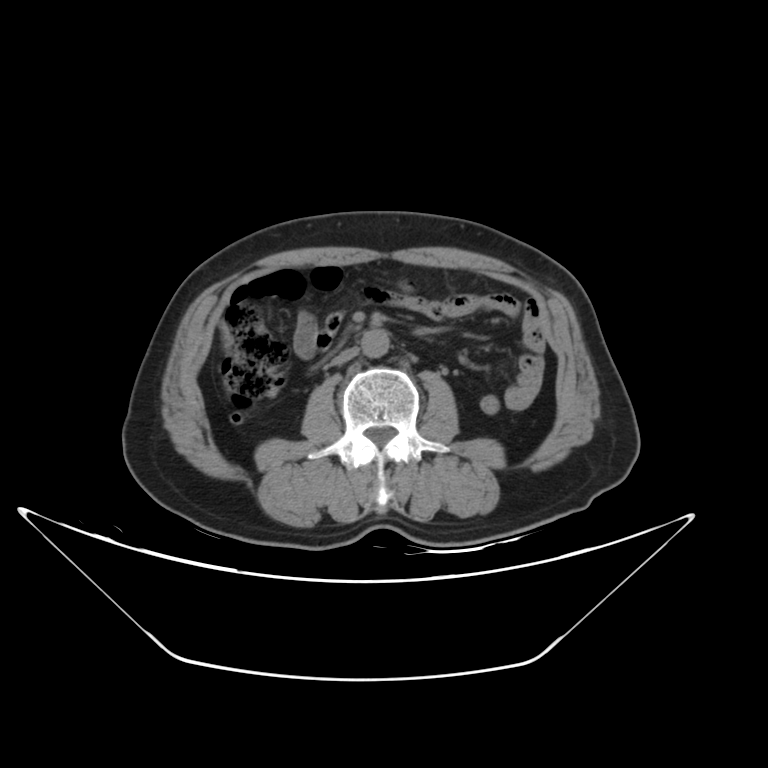

Abdominal CT · axial plane, index 62 · 768x768 px · 71-year-old male patient · acquired on Brilliance16
{"organs":{"aorta":[362,328,390,356],"inferior vena cava":[326,347,360,366]}}